Abdominal CT reaching into the chest; this slice is in the chest; axial view; W/L 400/40 HU; 47-year-old male patient
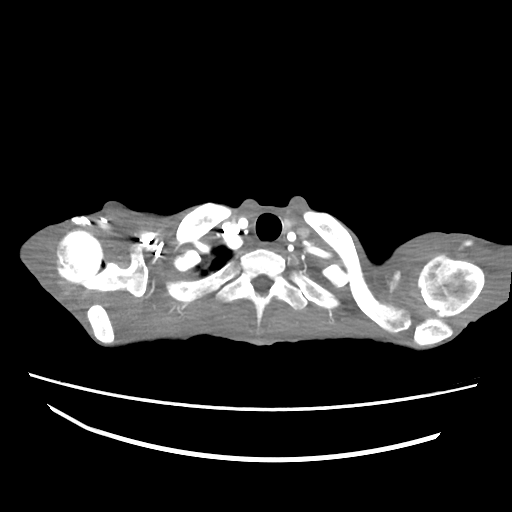

On a slice this high in the chest, this dataset labels only the esophagus and the aorta, and each is boxed only where it is labeled; the heart, lungs and other chest structures are not labeled. Boxes are (x1, y1, x2, y2) in pixels. 1 labeled organ on this slice — esophagus at (258, 242, 280, 250).